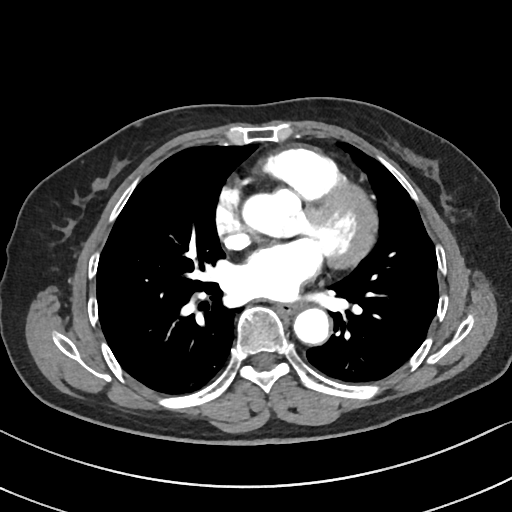 Abdominal CT; this slice is in the lower chest, just above the liver — axial view — 512x512 px
The heart and lungs are never labeled in this dataset, so they have no box on this slice.
Bounding boxes in pixels, one row per box: x1, y1 is the top-left corner and x2, y2 the bottom-right.
| organ | x1 | y1 | x2 | y2 |
|---|---|---|---|---|
| esophagus | 278 | 301 | 300 | 312 |
| aorta | 294 | 307 | 328 | 343 |